Computed tomography, abdomen; axial view; 768x768 px
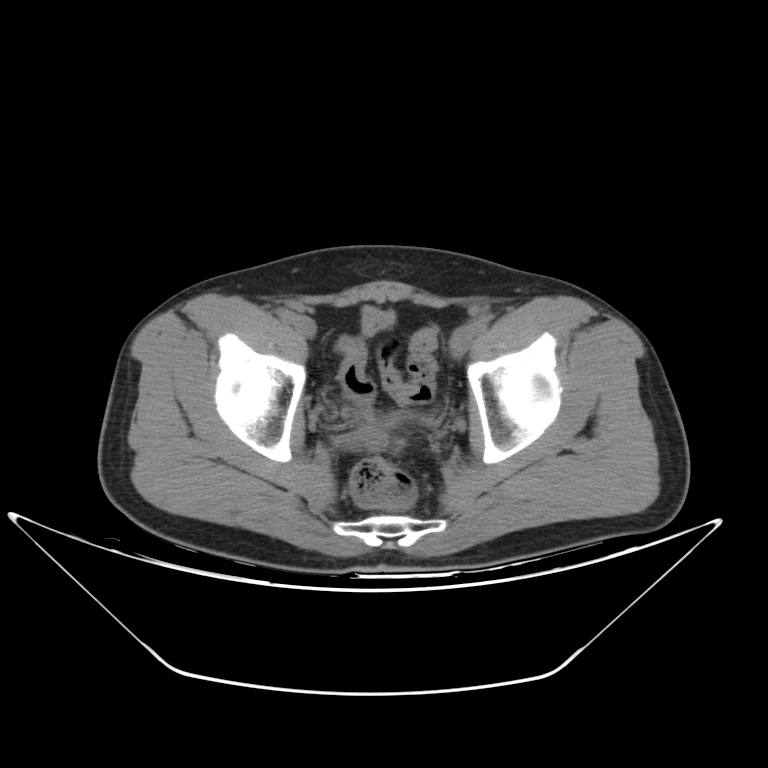

Boxes: x1 y1 x2 y2 (pixel coords, space-separated).
bladder: 361 305 393 336